Abdominal CT; axial view; soft-tissue window; 512x512 px
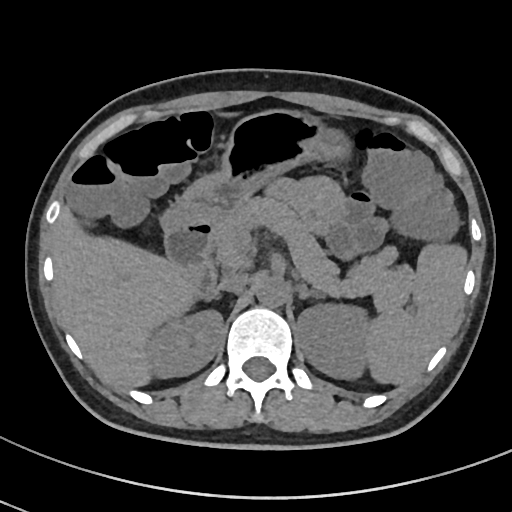

Boxes are (x1, y1, x2, y2) in pixels.
Organ bounding boxes:
- pancreas: (208, 197, 412, 311)
- left adrenal gland: (296, 280, 323, 298)
- spleen: (366, 245, 466, 383)
- left kidney: (296, 302, 369, 379)
- duodenum: (165, 221, 215, 296)
- right adrenal gland: (206, 293, 215, 298)
- right kidney: (149, 308, 223, 378)
- aorta: (256, 275, 288, 307)
- liver: (53, 207, 193, 385)
- stomach: (161, 111, 347, 230)
- inferior vena cava: (213, 275, 247, 292)